CT, abdomen/pelvis — axial view — abdomen soft-tissue window — 768x768 px
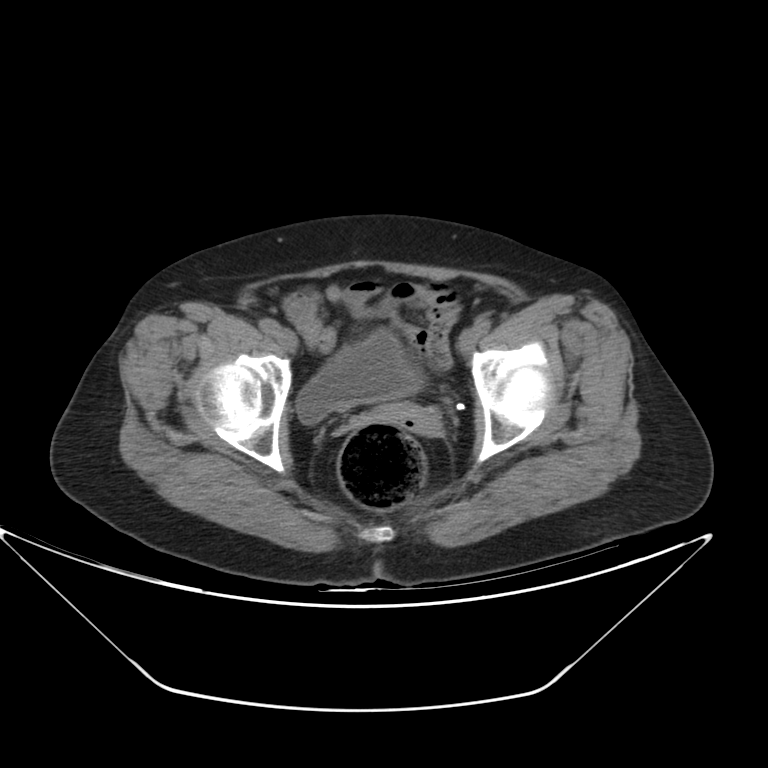
Boxes are (x1, y1, x2, y2) in pixels. The annotated organs in this slice are: prostate/uterus at (372, 403, 437, 429), bladder at (296, 330, 423, 423).